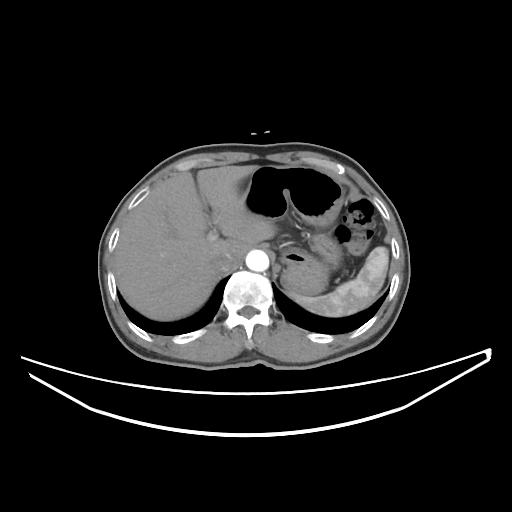

CT, abdomen/pelvis · axial view
Boxes: x1:y1:x2:y2 in pixels. The annotated organs in this slice are: stomach at 241:165:344:295, spleen at 290:246:388:316, inferior vena cava at 212:253:234:272, aorta at 246:250:269:271, liver at 115:165:276:320.